Computed tomography, abdomen — axial view — 512x512 px
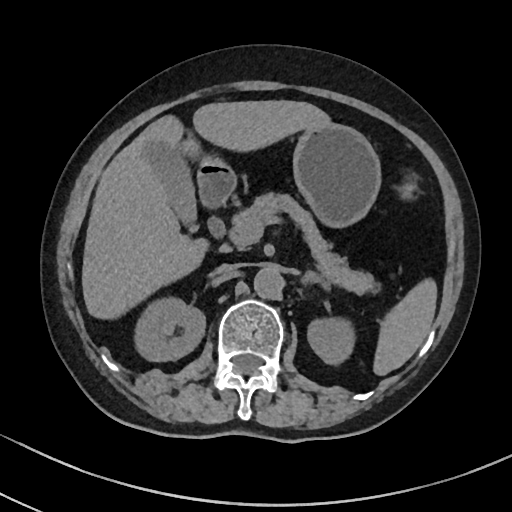

Boxes: x1:y1:x2:y2 in pixels. Labeled organs on this slice: aorta at 254:267:282:299, gall bladder at 143:142:195:219, right kidney at 136:300:205:360, left kidney at 308:321:352:363, duodenum at 197:164:235:207, pancreas at 228:195:373:294, stomach at 201:124:382:229, inferior vena cava at 214:262:238:273, spleen at 374:279:437:376, liver at 82:100:333:318, left adrenal gland at 299:272:330:291.